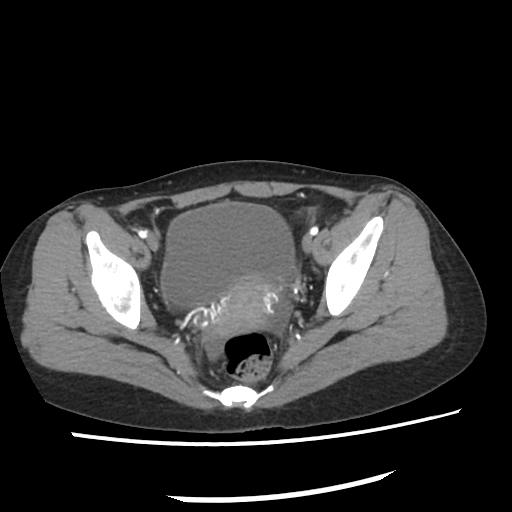 Abdominal CT. axial plane, index 19. 512x512 px
Boxes: x1:y1:x2:y2 in pixels.
bladder: 161:203:293:305
prostate/uterus: 215:275:273:334